Abdominal CT · axial plane, index 47 · W/L 400/40 HU · 768x768 px
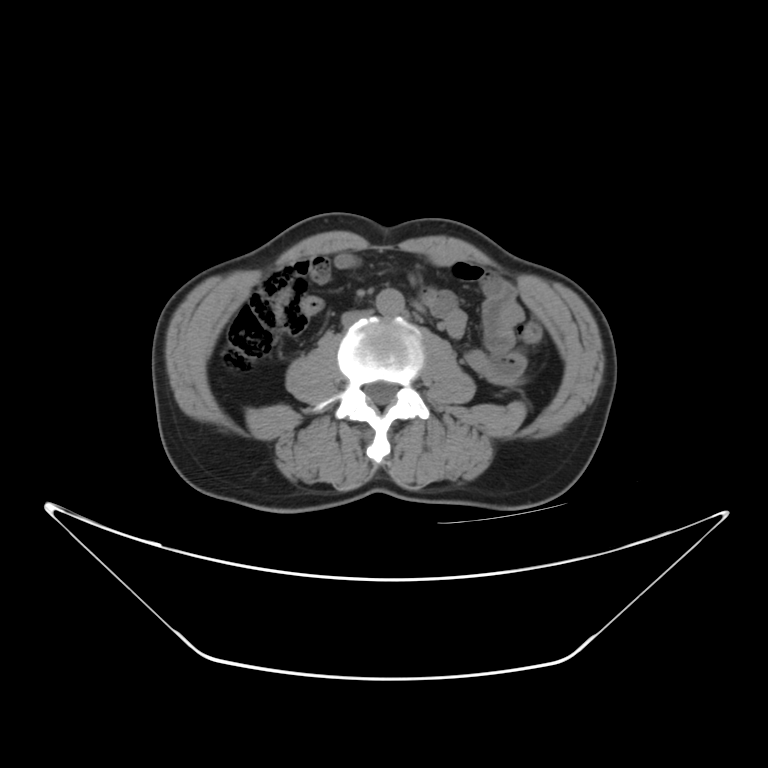 Bounding boxes as [x1, y1, x2, y2] in pixel coordinates.
aorta: [376, 289, 404, 315]
inferior vena cava: [340, 311, 373, 324]